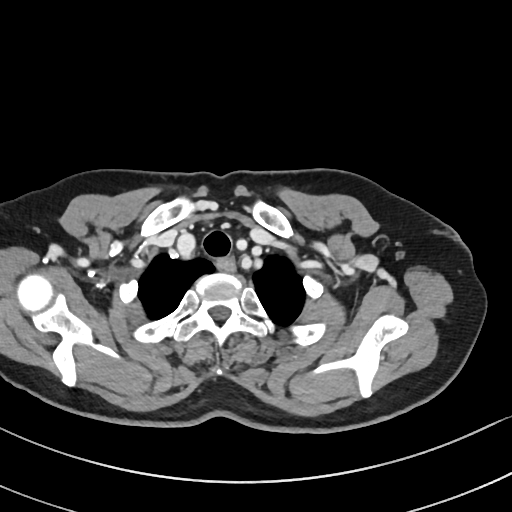 Chest-level CT slice, above the liver and spleen · axial view · soft-tissue window, W/L 400/40 · SOMATOM Force scanner · 14 organs annotated in this scan (a whole-scan count: organs this slice does not pass through have no box)
On a slice this high in the chest, this dataset labels only the esophagus and the aorta, and each is boxed only where it is labeled; the heart, lungs and other chest structures are not labeled.
<organs><organ name="esophagus" x1="216" y1="257" x2="235" y2="270"/></organs>